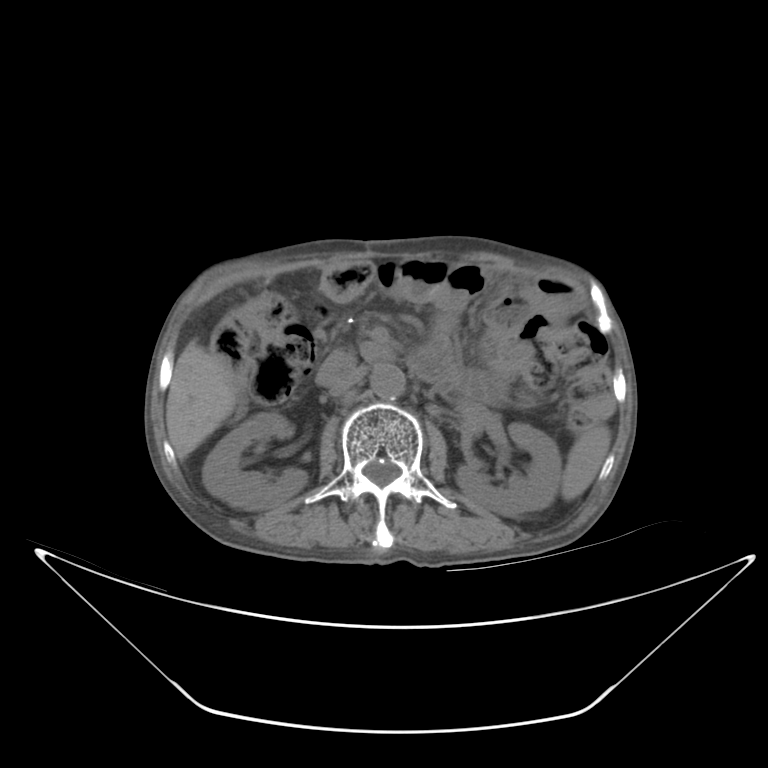 CT abdomen · axial plane, index 63 · soft-tissue window · 768x768 px · 68-year-old male patient
{"organs":{"spleen":[560,424,612,498],"right kidney":[203,414,306,510],"left kidney":[456,423,559,515],"liver":[165,342,238,460],"aorta":[369,364,405,401],"inferior vena cava":[331,364,368,396]}}